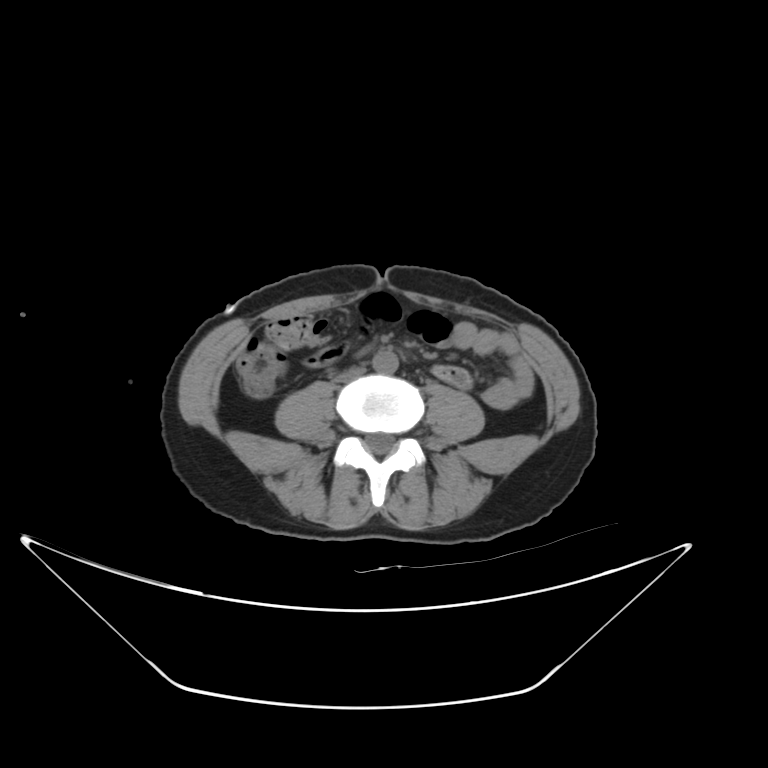
CT, abdomen/pelvis — axial view — soft-tissue window (W 400 / L 40)
Coordinates as <box>x1,y1,x2,y2</box> in pixels.
aorta: <box>373,351,398,373</box>
inferior vena cava: <box>335,366,365,382</box>